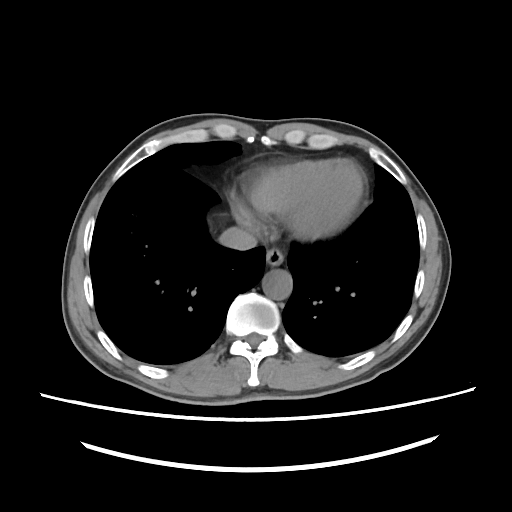 Abdominal CT; this slice is in the lower chest, just above the liver. axial view. 55-year-old male patient
Of the structures in the chest, this dataset labels only the esophagus, the aorta and the inferior vena cava; the heart and lungs have no label.
Boxes: x1:y1:x2:y2 in pixels.
Organ bounding boxes:
- esophagus: 266:249:284:266
- aorta: 262:269:292:300
- inferior vena cava: 218:227:257:251